CT, abdomen/pelvis; Axial slice 118/192; 512x512 px
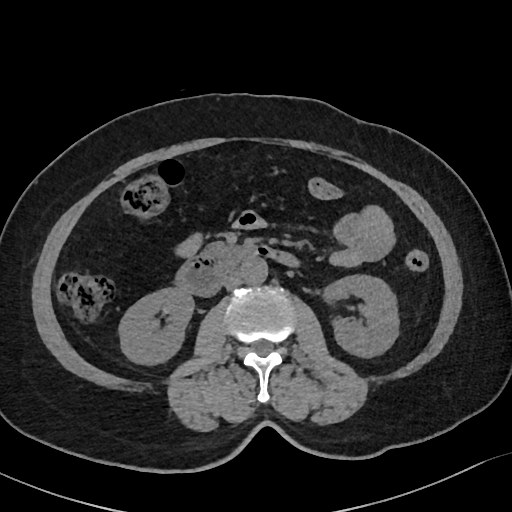
{"organs":{"right kidney":[117,288,194,365],"left kidney":[325,275,399,358],"aorta":[241,258,268,285],"inferior vena cava":[223,272,243,290],"pancreas":[203,242,247,265],"duodenum":[173,246,298,296]}}